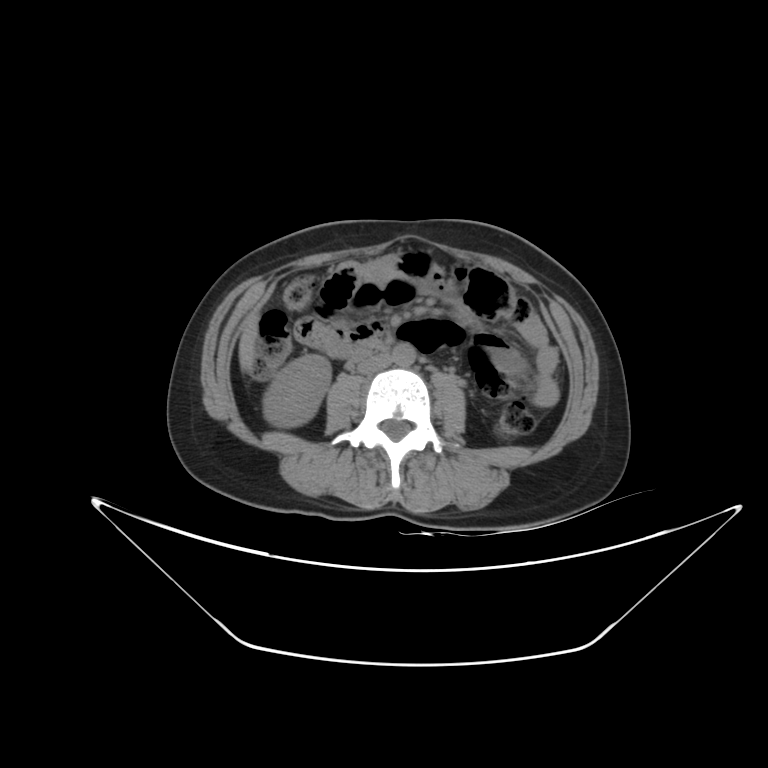

Abdominal CT; Axial slice 52/83
{"organs":{"right kidney":[263,354,331,426],"liver":[238,313,258,371],"aorta":[392,343,415,367],"inferior vena cava":[357,354,391,374]}}